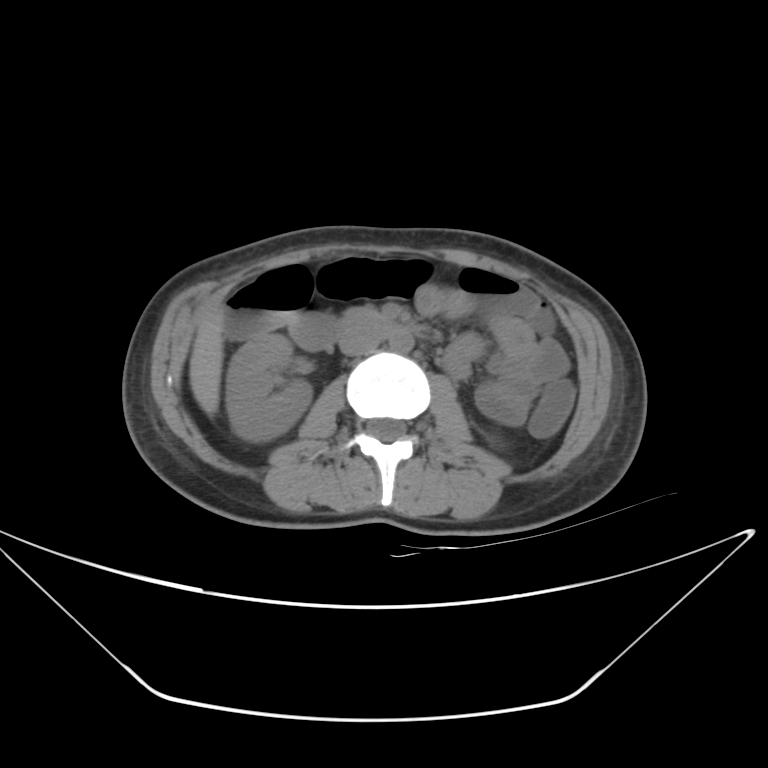

CT abdomen. axial plane, index 58. 768x768 px. Brilliance16 scanner. scan has 15 labeled organs (counted over the whole 3D scan, not this slice; an organ is boxed only where this slice passes through it)
<organs><organ name="right kidney" x1="225" y1="334" x2="311" y2="441"/><organ name="liver" x1="190" y1="305" x2="222" y2="415"/><organ name="aorta" x1="388" y1="334" x2="414" y2="352"/><organ name="inferior vena cava" x1="339" y1="331" x2="379" y2="355"/><organ name="pancreas" x1="345" y1="308" x2="386" y2="330"/><organ name="duodenum" x1="289" y1="314" x2="425" y2="351"/></organs>